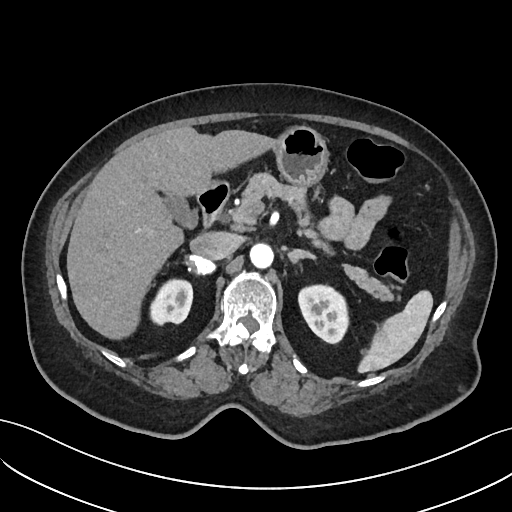

CT abdomen. axial plane, index 138. SOMATOM Force scanner
Organ boxes in pixel coordinates; each row gives the top-left (x1, y1) and bottom-right (x2, y2) corners.
| organ | x1 | y1 | x2 | y2 |
|---|---|---|---|---|
| aorta | 250 | 244 | 274 | 269 |
| stomach | 275 | 127 | 327 | 189 |
| pancreas | 235 | 174 | 393 | 301 |
| gall bladder | 167 | 195 | 197 | 226 |
| left adrenal gland | 285 | 248 | 316 | 264 |
| spleen | 356 | 291 | 433 | 372 |
| left kidney | 296 | 286 | 347 | 345 |
| right adrenal gland | 185 | 254 | 213 | 273 |
| duodenum | 198 | 181 | 229 | 227 |
| liver | 67 | 126 | 279 | 340 |
| right kidney | 151 | 279 | 192 | 323 |
| inferior vena cava | 189 | 231 | 238 | 260 |